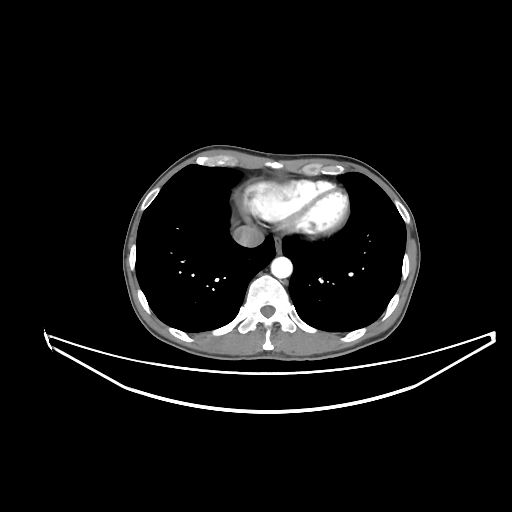

CT of the abdomen reaching into the lower chest, slice just above the liver and spleen. axial plane, index 84. soft-tissue window, W/L 400/40. acquired on Aquilion ONE
Of the structures in the chest, this dataset labels only the esophagus, the aorta and the inferior vena cava; the heart and lungs have no label.
Boxes are (x1, y1, x2, y2) in pixels.
Organ bounding boxes:
- esophagus: (274, 237, 281, 252)
- aorta: (271, 256, 292, 278)
- inferior vena cava: (233, 225, 264, 247)